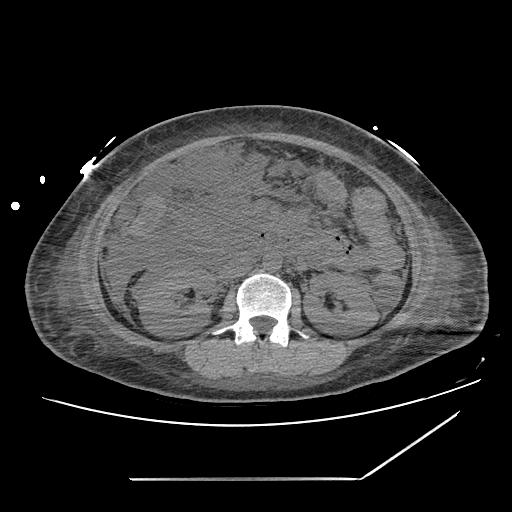

Computed tomography, abdomen · axial view · W/L 400/40 HU
Each box given as x1,y1,x2,y2. The annotated organs in this slice are: left kidney at x1=303, y1=272, x2=378, y2=335, inferior vena cava at x1=221, y1=255, x2=252, y2=278, aorta at x1=263, y1=253, x2=281, y2=270, right kidney at x1=140, y1=268, x2=214, y2=335.